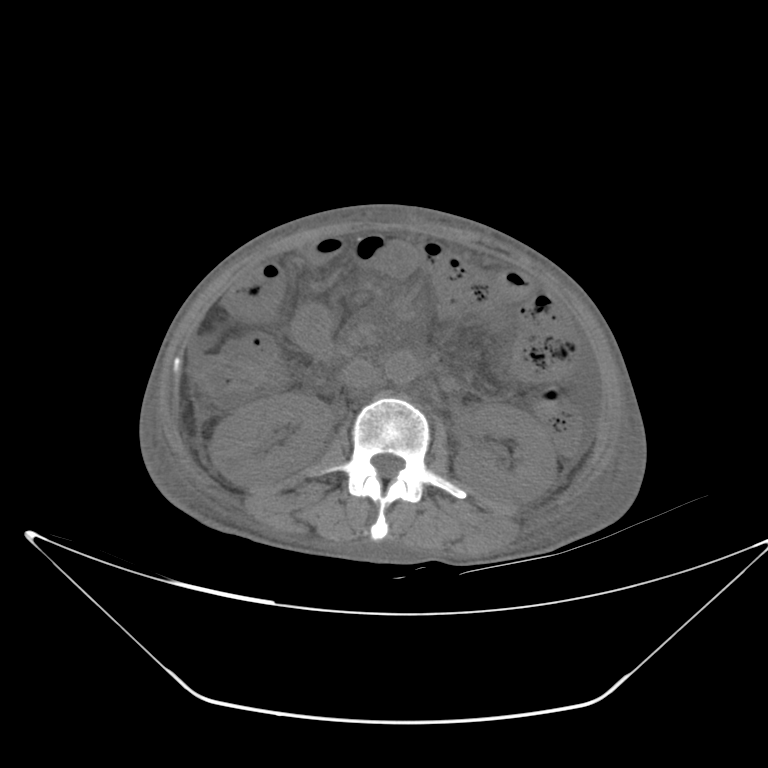
Computed tomography, abdomen; axial view; 768x768 px
Boxes: x1 y1 x2 y2 (pixel coords, space-separated).
Organ bounding boxes:
- left kidney: 453 403 556 506
- inferior vena cava: 342 359 378 392
- aorta: 385 351 417 384
- duodenum: 292 304 338 353
- right kidney: 210 393 333 487